CT, abdomen/pelvis; axial view
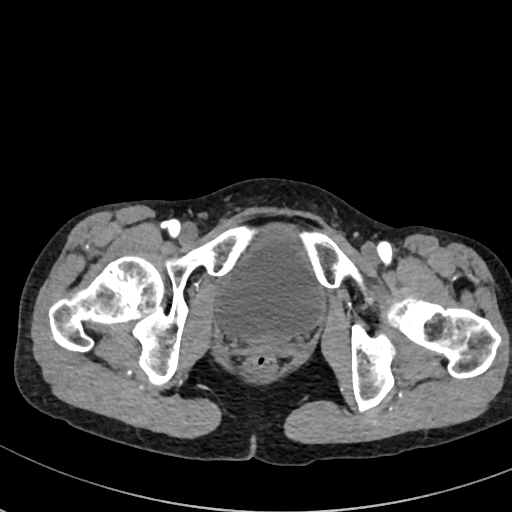 {"organs":{"bladder":[214,224,326,340]}}